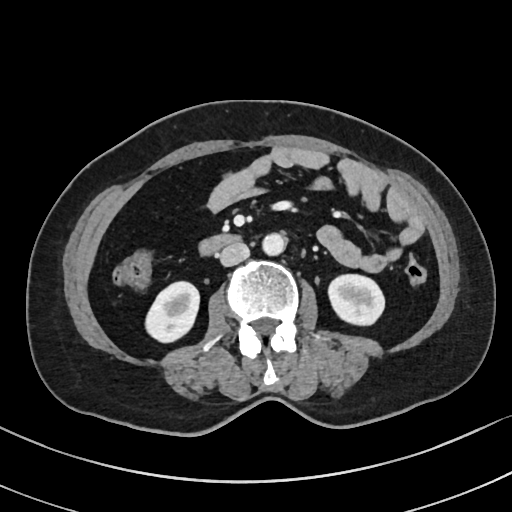

CT abdomen — axial view — 512x512 px — SOMATOM Force scanner
<organs><organ name="right kidney" x1="146" y1="281" x2="199" y2="342"/><organ name="left kidney" x1="328" y1="274" x2="384" y2="324"/><organ name="aorta" x1="262" y1="233" x2="286" y2="255"/><organ name="inferior vena cava" x1="219" y1="242" x2="249" y2="266"/><organ name="duodenum" x1="199" y1="234" x2="240" y2="255"/></organs>